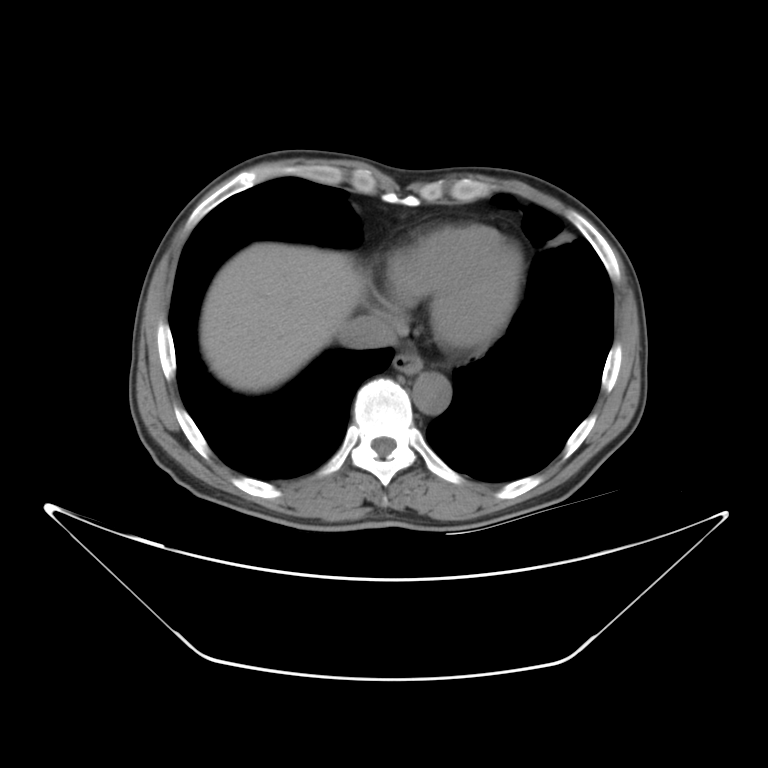
CT, abdomen/pelvis · axial view · scan has 15 labeled organs (counted over the whole 3D scan, not this slice; an organ is boxed only where this slice passes through it)
{"organs":{"liver":[199,242,362,394],"esophagus":[394,354,422,374],"inferior vena cava":[341,313,397,349],"aorta":[412,371,451,411]}}